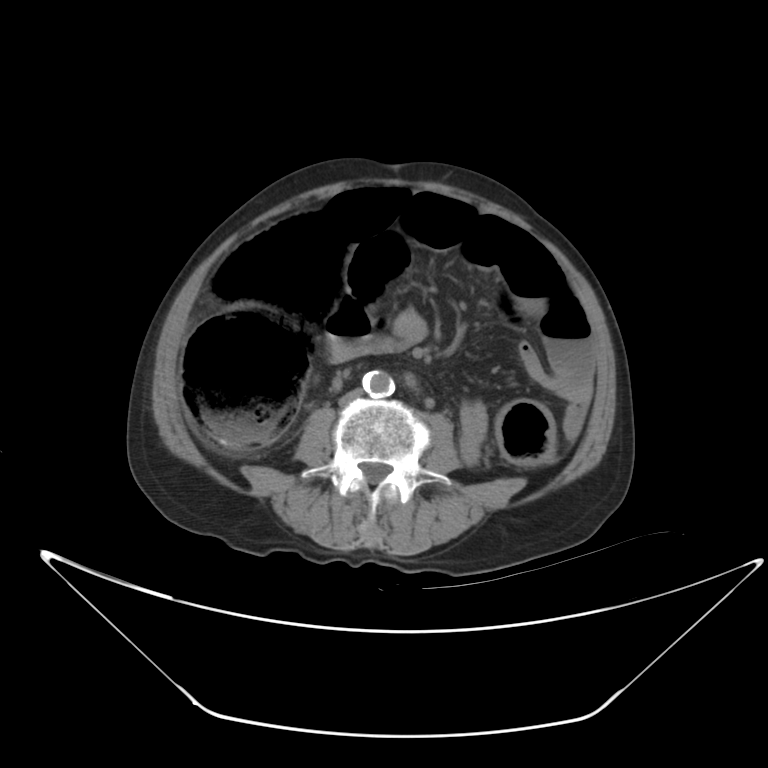

CT abdomen · axial view · soft-tissue window · 768x768 px · acquired on Brilliance16
<organs><organ name="aorta" x1="362" y1="370" x2="394" y2="398"/><organ name="inferior vena cava" x1="338" y1="388" x2="363" y2="405"/></organs>